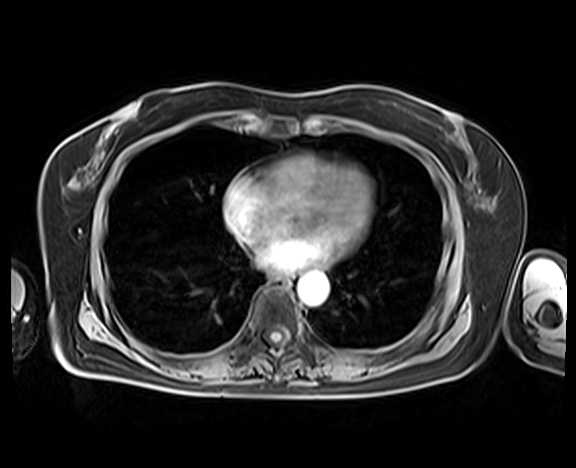 Abdominal MRI; this slice is in the lower chest, just above the liver — axial plane, index 66 — 576x468 px
No part of the heart or lungs is labeled in this dataset, so neither has a box here. Coordinates as <box>x1,y1,x2,y2</box> in pixels. 2 labeled organs on this slice — esophagus at <box>275,274,289,286</box>; aorta at <box>298,273,328,305</box>.